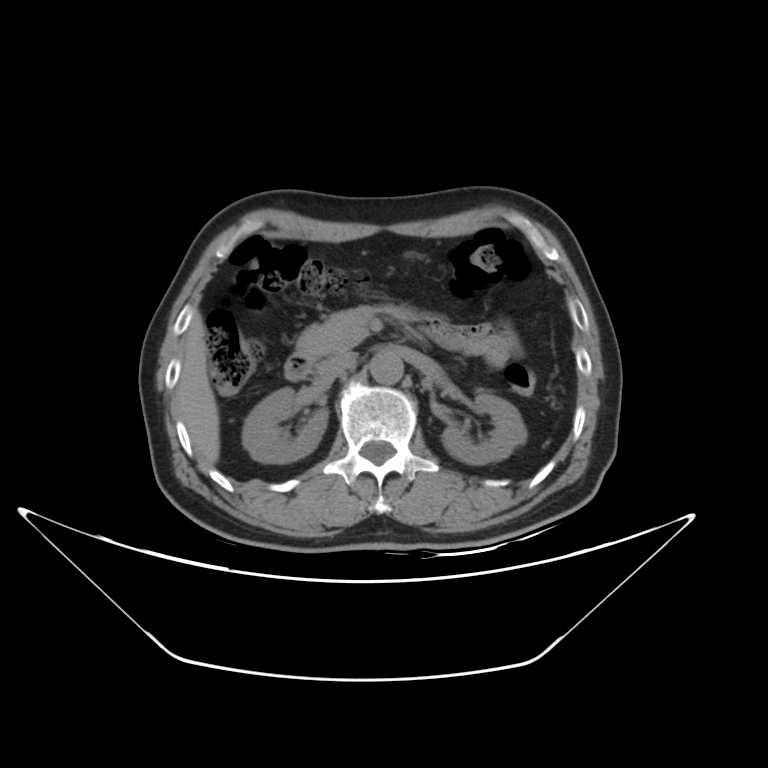

Computed tomography, abdomen. axial view. soft-tissue window (W 400 / L 40). 768x768 px. 15 organs annotated in this scan (that count is for the whole scan; organs this slice misses have no box)
Bounding boxes in pixels, one row per box: x1, y1 is the top-left corner and x2, y2 the bottom-right.
| organ | x1 | y1 | x2 | y2 |
|---|---|---|---|---|
| right kidney | 241 | 389 | 328 | 463 |
| left kidney | 442 | 391 | 525 | 463 |
| liver | 177 | 313 | 220 | 463 |
| aorta | 370 | 351 | 403 | 384 |
| inferior vena cava | 321 | 352 | 358 | 376 |
| pancreas | 294 | 303 | 425 | 360 |
| duodenum | 284 | 357 | 309 | 379 |